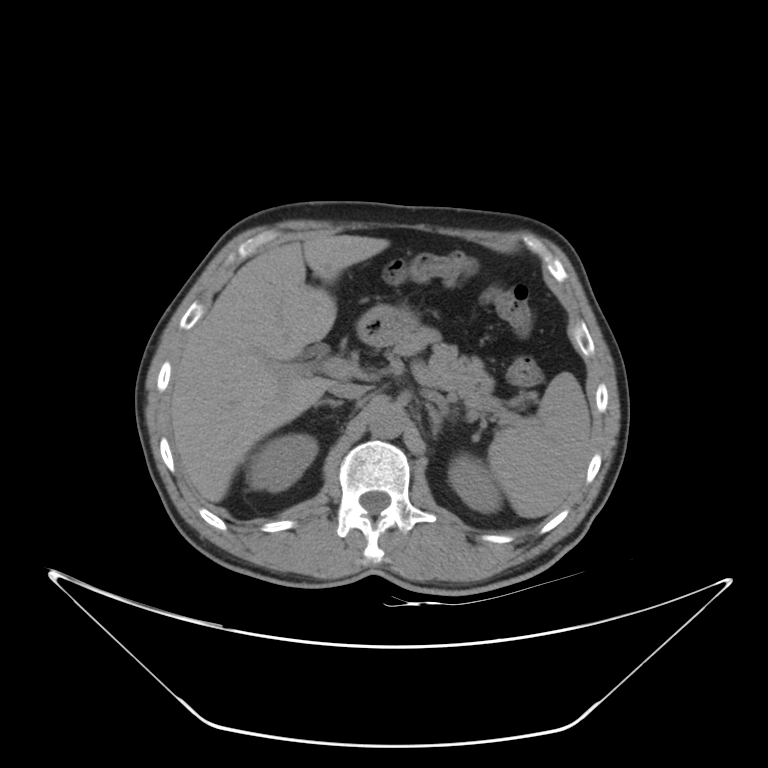
Computed tomography, abdomen; Axial slice 71/83; 768x768 px
{"organs":{"left adrenal gland":[426,403,450,437],"inferior vena cava":[329,381,368,398],"liver":[171,235,388,501],"right adrenal gland":[316,398,343,406],"pancreas":[392,326,502,418],"spleen":[488,371,590,518],"stomach":[356,304,416,346],"left kidney":[448,453,501,511],"right kidney":[249,434,318,491],"aorta":[367,402,405,438]}}